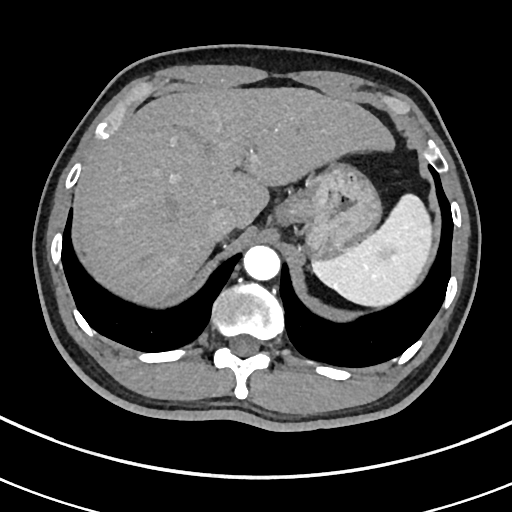 CT abdomen; axial view; W/L 400/40 HU; 512x512 px; scan has 15 labeled organs (that count is for the whole scan; organs this slice misses have no box)
{"organs":{"spleen":[312,193,430,305],"liver":[82,87,393,300],"stomach":[271,163,379,256],"aorta":[243,245,280,281],"inferior vena cava":[206,206,235,240]}}